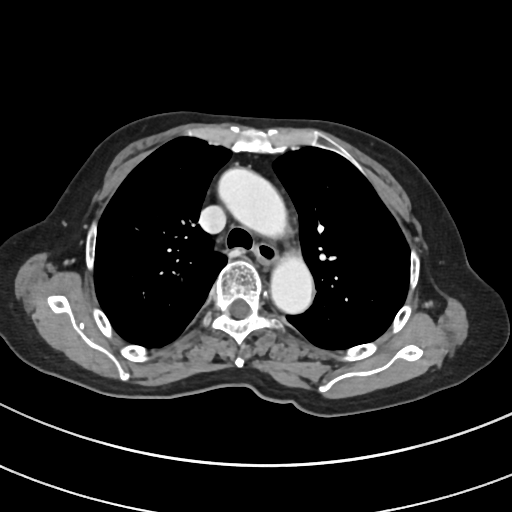

Abdominal CT reaching into the chest; this slice is in the chest — axial view — soft-tissue window (W 400 / L 40)
On a slice this high in the chest, this dataset labels only the esophagus and the aorta, and each is boxed only where it is labeled; the heart, lungs and other chest structures are not labeled.
Boxes are (x1, y1, x2, y2) in pixels.
aorta: (219, 168, 291, 242)
aorta: (270, 244, 314, 312)
esophagus: (253, 243, 276, 262)